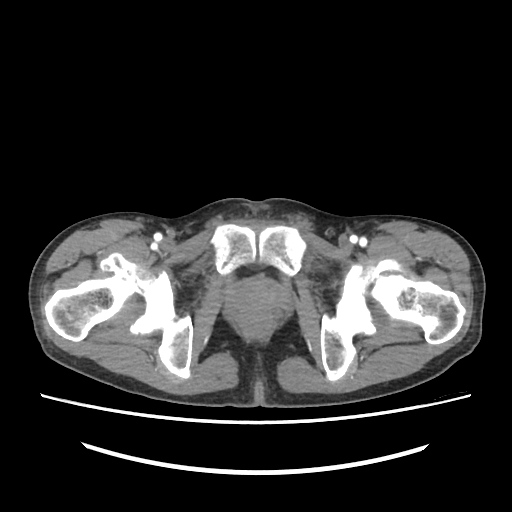 CT, abdomen/pelvis · axial view · soft-tissue window (W 400 / L 40) · 512x512 px · 15 organs annotated in this scan (counted over the whole 3D scan, not this slice; an organ is boxed only where this slice passes through it)
{"organs":{"prostate/uterus":[232,281,282,313]}}